Abdominal CT · axial plane, index 28 · 512x512 px · 15 organs annotated in this scan (counted over the whole 3D scan, not this slice; an organ is boxed only where this slice passes through it)
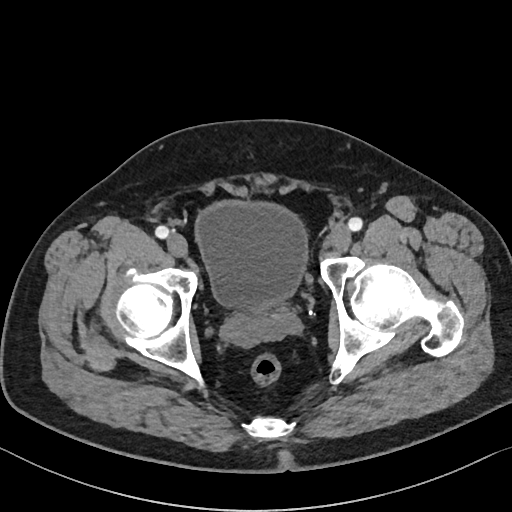
<organs><organ name="bladder" x1="195" y1="201" x2="307" y2="310"/></organs>